Abdominal CT reaching into the chest; this slice is in the chest. Axial slice 251/306. W/L 400/40 HU. 512x512 px. acquired on SOMATOM Force. scan has 15 labeled organs (a whole-scan count: organs this slice does not pass through have no box)
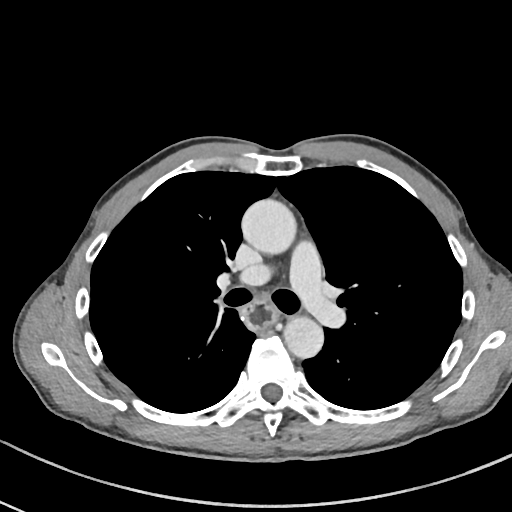 On a slice this high in the chest, this dataset labels only the esophagus and the aorta, and each is boxed only where it is labeled; the heart, lungs and other chest structures are not labeled.
Boxes: x1:y1:x2:y2 in pixels.
aorta: 240:198:295:253
aorta: 283:317:323:358
esophagus: 240:298:277:330